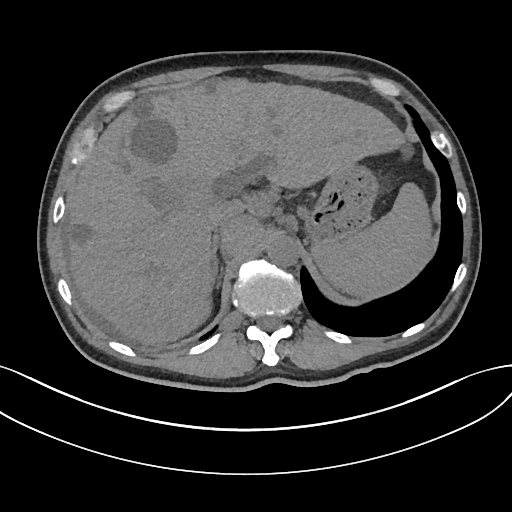
Computed tomography, abdomen · axial view · 512x512 px · acquired on SOMATOM Force
Bounding boxes in pixels, one row per box: x1, y1 is the top-left corner and x2, y2 the bottom-right.
| organ | x1 | y1 | x2 | y2 |
|---|---|---|---|---|
| spleen | 312 | 182 | 432 | 298 |
| liver | 64 | 78 | 404 | 345 |
| stomach | 305 | 163 | 378 | 243 |
| aorta | 267 | 235 | 299 | 266 |
| inferior vena cava | 209 | 205 | 237 | 232 |
| right adrenal gland | 212 | 241 | 218 | 278 |